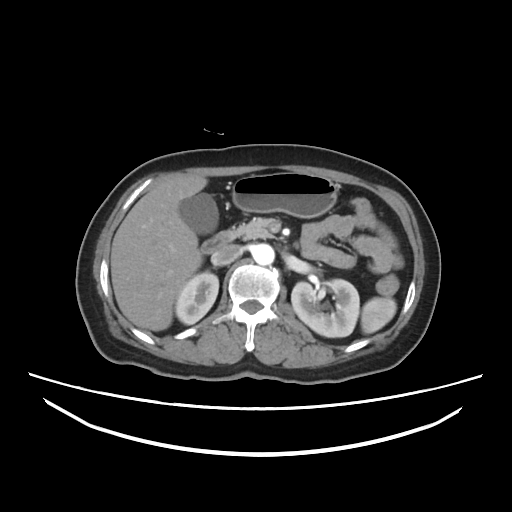 Abdominal CT — axial view — 512x512 px — 62-year-old female patient
Boxes: x1 y1 x2 y2 (pixel coords, space-separated). Labeled organs on this slice: spleen at 362 297 395 335, right kidney at 174 271 219 324, left kidney at 292 280 359 337, gall bladder at 178 192 217 233, liver at 110 174 207 331, stomach at 230 171 340 218, aorta at 250 243 275 265, inferior vena cava at 211 243 242 265, pancreas at 223 219 272 241, duodenum at 200 233 232 252.